CT, abdomen/pelvis — axial plane, index 50 — 512x512 px — scan has 15 labeled organs (that count is for the whole scan; organs this slice misses have no box)
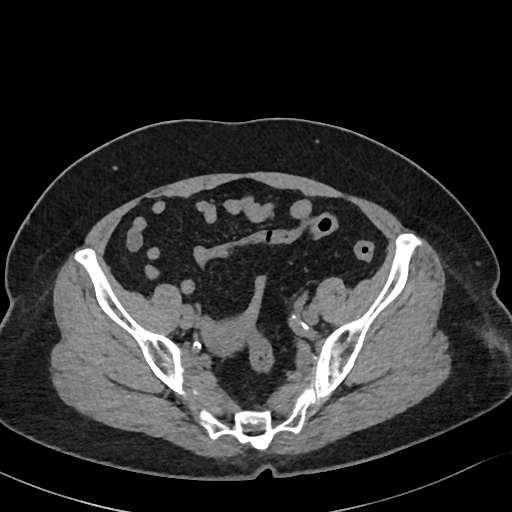

<organs><organ name="prostate/uterus" x1="201" y1="321" x2="248" y2="352"/></organs>